Abdominal CT — axial view — SOMATOM Force scanner
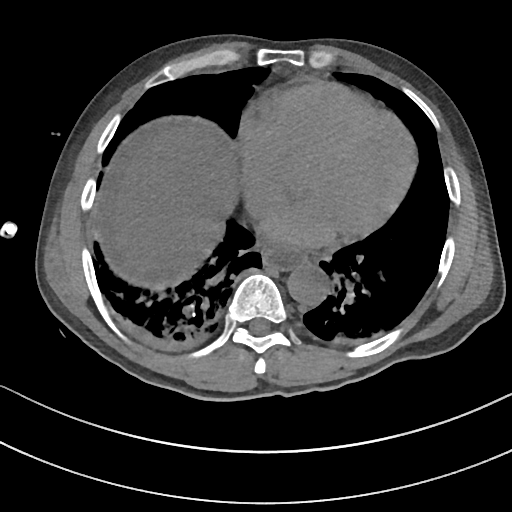
Boxes are (x1, y1, x2, y2) in pixels.
esophagus: (261, 246, 306, 269)
liver: (111, 125, 238, 283)
aorta: (287, 264, 328, 305)